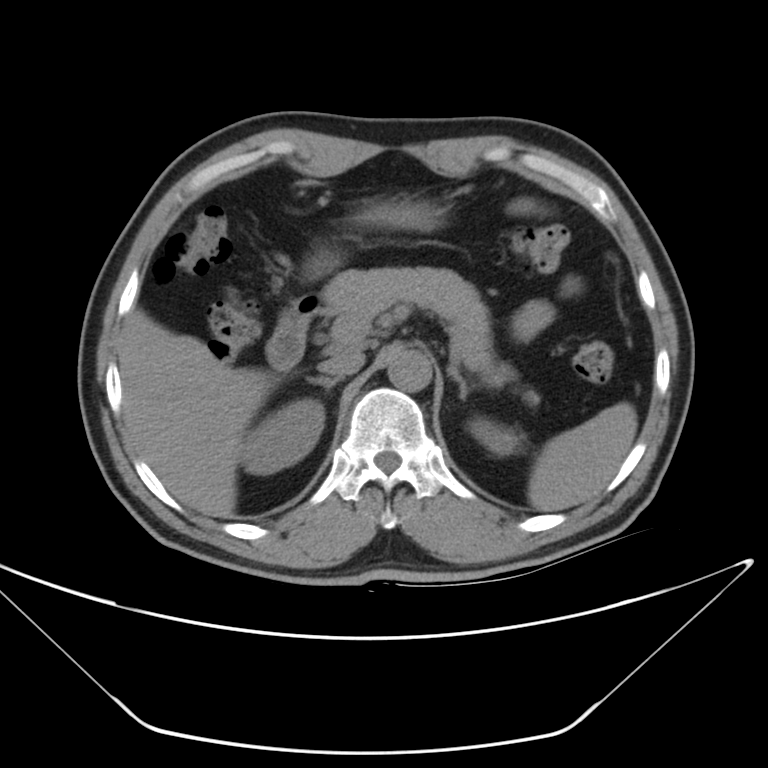
CT, abdomen/pelvis · axial view · soft-tissue window · 768x768 px
<organs><organ name="spleen" x1="528" y1="402" x2="637" y2="512"/><organ name="right kidney" x1="244" y1="399" x2="324" y2="475"/><organ name="left kidney" x1="468" y1="419" x2="516" y2="455"/><organ name="liver" x1="119" y1="180" x2="314" y2="518"/><organ name="stomach" x1="360" y1="206" x2="446" y2="230"/><organ name="aorta" x1="388" y1="348" x2="430" y2="392"/><organ name="inferior vena cava" x1="318" y1="351" x2="365" y2="378"/><organ name="pancreas" x1="322" y1="265" x2="539" y2="404"/><organ name="right adrenal gland" x1="306" y1="376" x2="342" y2="390"/><organ name="left adrenal gland" x1="448" y1="359" x2="473" y2="401"/><organ name="duodenum" x1="267" y1="292" x2="320" y2="369"/></organs>